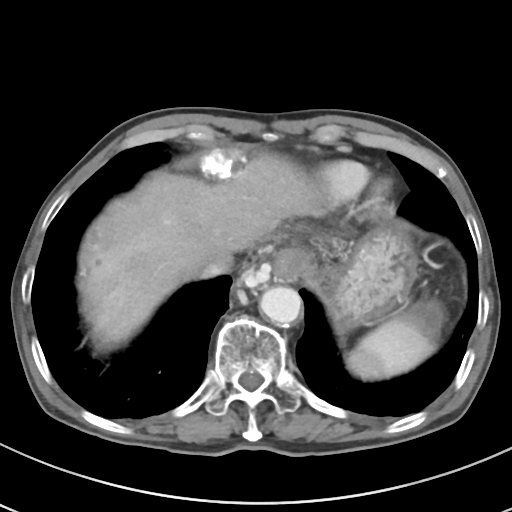

CT, abdomen/pelvis · axial view
Boxes: x1:y1:x2:y2 in pixels. The annotated organs in this slice are: spleen at 347:301:444:379, esophagus at 230:248:287:312, liver at 78:147:314:345, stomach at 280:227:417:329, aorta at 259:286:301:325, inferior vena cava at 199:256:232:278.